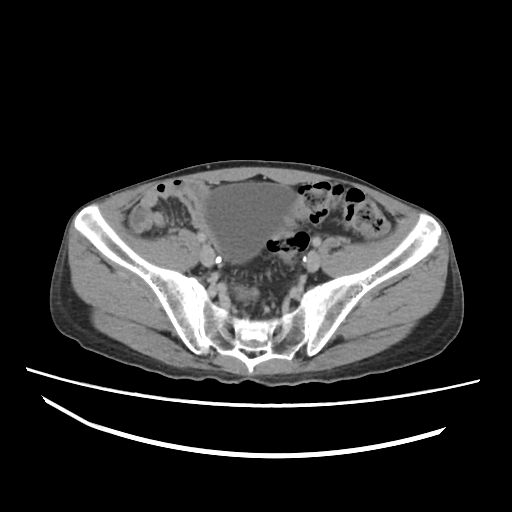 Abdominal CT; axial view; 512x512 px
Box edges are left/top/right/bottom in pixels.
Organ bounding boxes:
- bladder: left=201, top=182, right=294, bottom=260